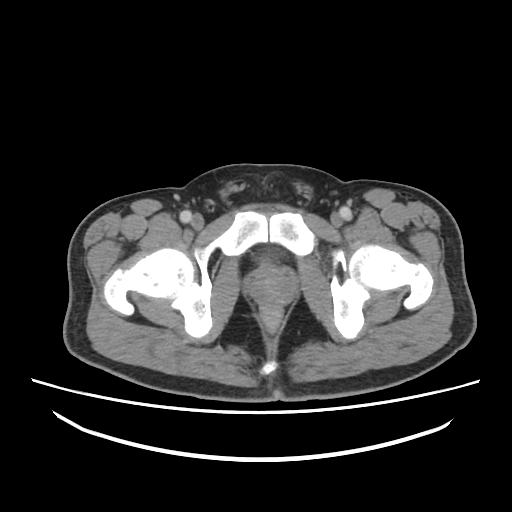

Computed tomography, abdomen — axial plane, index 14 — 512x512 px — Aquilion ONE scanner
{"organs":{"prostate/uterus":[248,267,294,306]}}